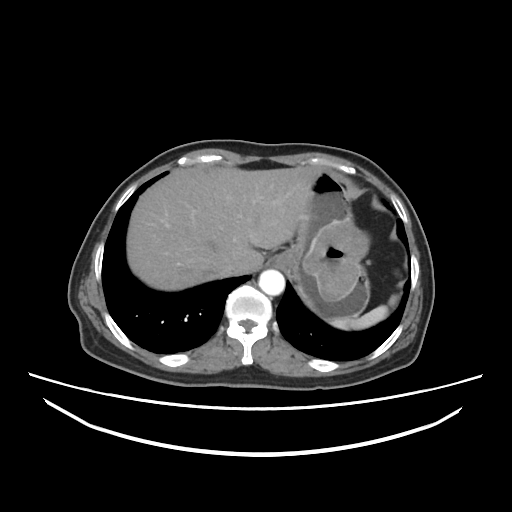

Computed tomography, abdomen · axial view · 512x512 px
Coordinates as <box>x1,y1,x2,y2</box> in pixels.
Organ bounding boxes:
- spleen: <box>327,294,401,330</box>
- liver: <box>127,166,310,291</box>
- stomach: <box>279,164,369,317</box>
- aorta: <box>258,269,285,295</box>
- inferior vena cava: <box>215,257,238,277</box>